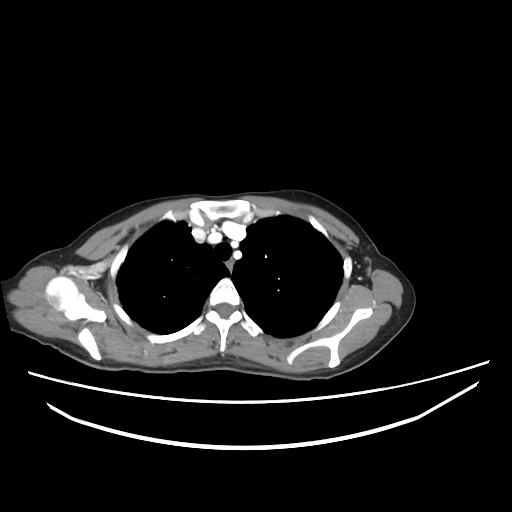

CT of the abdomen extending into the chest, slice through the chest; axial view; W/L 400/40 HU; 512x512 px
At this level of the chest this dataset labels only the esophagus and the aorta, and each is boxed only where it is labeled; the heart and lungs are never labeled.
Boxes: x1:y1:x2:y2 in pixels.
Organ bounding boxes:
- esophagus: 226:258:233:270